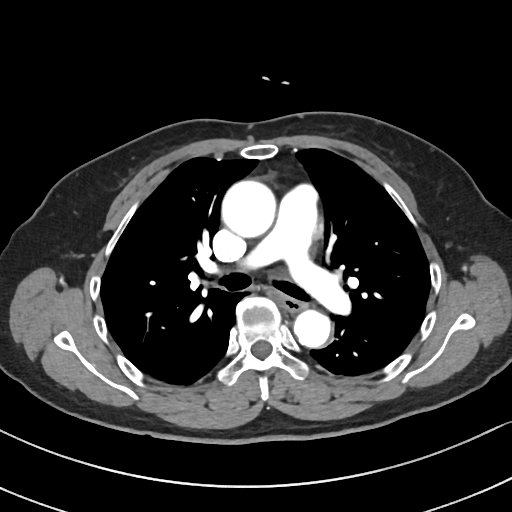

Abdominal CT reaching into the chest; this slice is in the chest — axial view
On a slice this high in the chest, this dataset labels only the esophagus and the aorta, and each is boxed only where it is labeled; the heart, lungs and other chest structures are not labeled.
{"organs":{"esophagus":[280,298,304,313],"aorta":[[221,180,275,236],[294,309,332,348]]}}